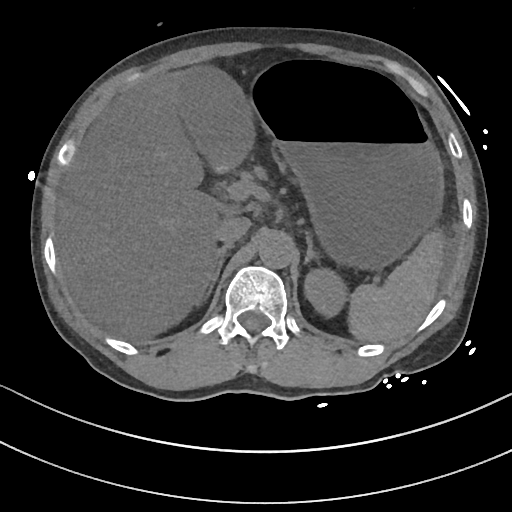 Computed tomography, abdomen; axial view; 512x512 px; 15 organs annotated in this scan (a whole-scan count: organs this slice does not pass through have no box)
<organs><organ name="spleen" x1="349" y1="232" x2="443" y2="342"/><organ name="inferior vena cava" x1="214" y1="214" x2="250" y2="243"/><organ name="left adrenal gland" x1="303" y1="237" x2="318" y2="266"/><organ name="aorta" x1="258" y1="231" x2="294" y2="269"/><organ name="stomach" x1="251" y1="63" x2="444" y2="271"/><organ name="right adrenal gland" x1="205" y1="243" x2="234" y2="300"/><organ name="gall bladder" x1="179" y1="69" x2="253" y2="171"/><organ name="left kidney" x1="305" y1="270" x2="343" y2="314"/><organ name="liver" x1="56" y1="68" x2="238" y2="340"/></organs>